Computed tomography, abdomen · Axial slice 48/126 · 512x512 px · scan has 15 labeled organs (that count is for the whole scan; organs this slice misses have no box)
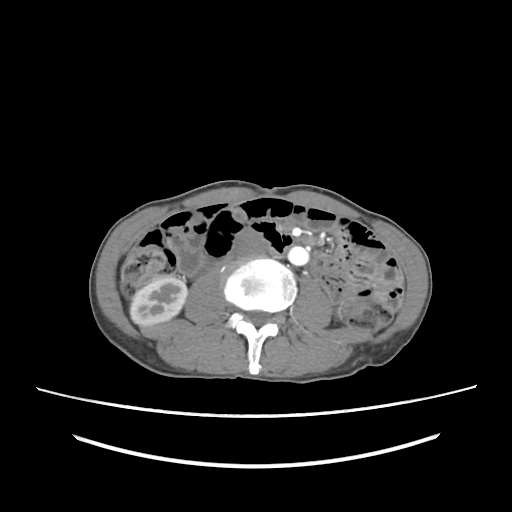 Boxes are (x1, y1, x2, y2) in pixels.
right kidney: (130, 275, 187, 325)
gall bladder: (192, 213, 200, 221)
aorta: (288, 246, 308, 265)
inferior vena cava: (235, 229, 270, 255)